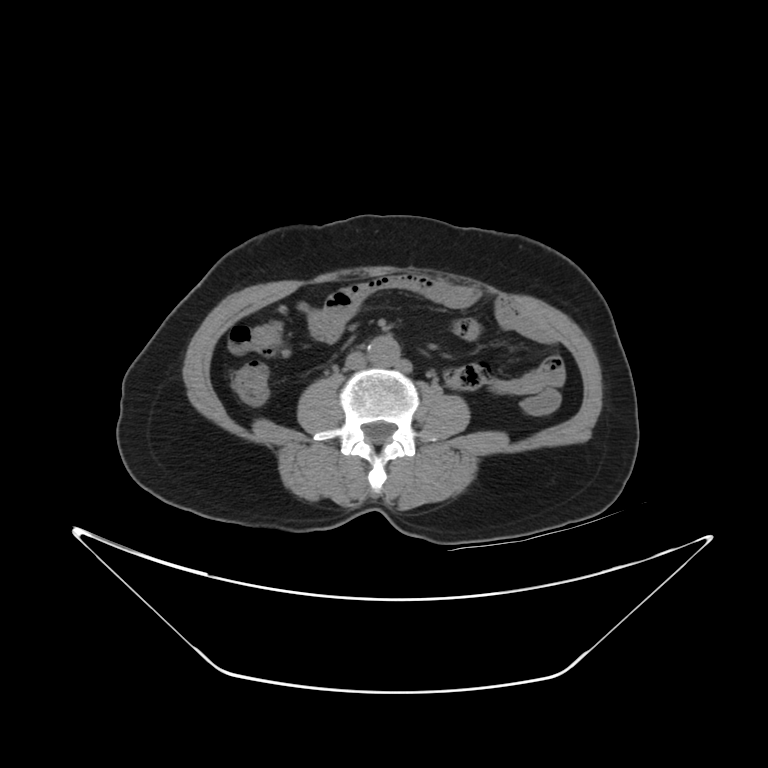
CT abdomen. Axial slice 46/91. abdomen soft-tissue window
Boxes: x1 y1 x2 y2 (pixel coords, space-separated).
Organ bounding boxes:
- aorta: 367 337 396 366
- inferior vena cava: 346 351 366 371